Chest-level slice from an abdominal CT that extends up into the chest — axial view — W/L 400/40 HU
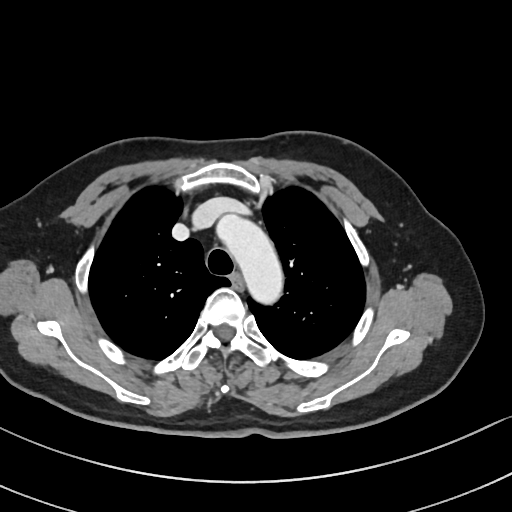
On a slice this high in the chest, this dataset labels only the esophagus and the aorta, and each is boxed only where it is labeled; the heart, lungs and other chest structures are not labeled.
{"organs":{"esophagus":[232,275,243,288],"aorta":[215,213,284,307]}}